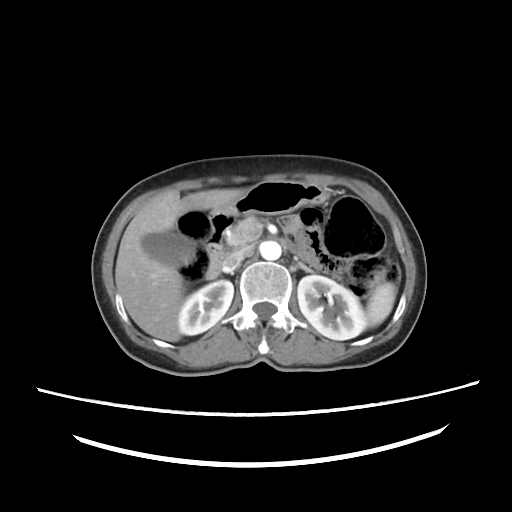

Computed tomography, abdomen; axial plane, index 57; W/L 400/40 HU; 512x512 px
{"organs":{"spleen":[364,280,396,329],"right kidney":[178,280,233,335],"left kidney":[297,275,367,339],"gall bladder":[142,233,194,266],"liver":[115,188,244,342],"stomach":[226,181,328,216],"aorta":[261,240,281,260],"inferior vena cava":[222,245,252,266],"pancreas":[227,216,264,248],"left adrenal gland":[297,263,314,274],"duodenum":[206,206,235,279]}}